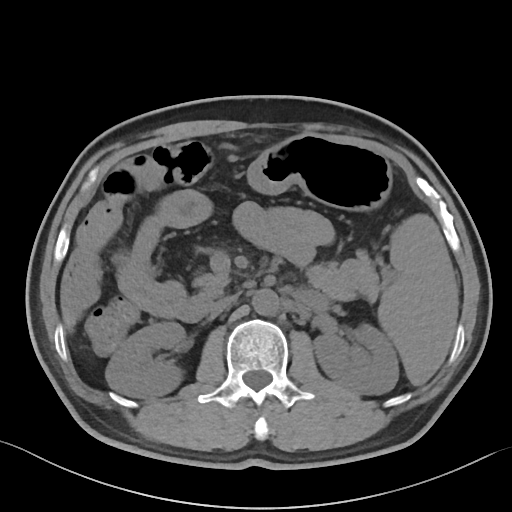 CT abdomen. Axial slice 67/101
Boxes are (x1, y1, x2, y2) in pixels.
Organ bounding boxes:
- right kidney: (105, 322, 185, 397)
- spleen: (378, 214, 457, 385)
- aorta: (252, 289, 279, 315)
- left kidney: (314, 324, 398, 394)
- duodenum: (177, 293, 215, 322)
- inferior vena cava: (210, 295, 237, 315)
- stomach: (247, 134, 391, 210)
- pancreas: (194, 250, 381, 301)
- liver: (62, 308, 74, 330)